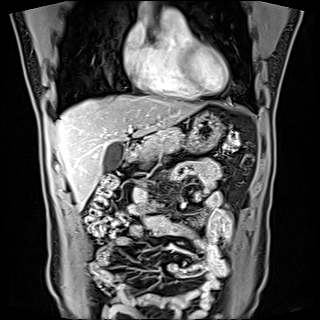
MRI, abdomen. coronal acquisition. percentile-normalized. 13 organs annotated in this scan (counted over the whole 3D scan, not this slice; an organ is boxed only where this slice passes through it)
{"organs":{"gall bladder":[103,141,124,173],"liver":[55,95,197,209],"stomach":[131,112,222,160],"pancreas":[142,127,182,161],"duodenum":[126,139,142,160]}}